Abdominal CT; Axial slice 64/133; soft-tissue window; Aquilion ONE scanner
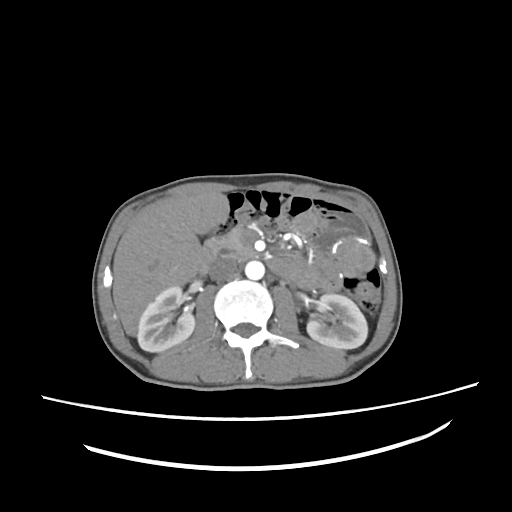

Each box given as x1,y1,x2,y2.
duodenum: x1=200, y1=236, x2=253, y2=271
pancreas: x1=215, y1=227, x2=253, y2=257
liver: x1=112, y1=192, x2=228, y2=335
right kidney: x1=137, y1=286, x2=194, y2=351
left kidney: x1=307, y1=294, x2=367, y2=348
inferior vena cava: x1=209, y1=257, x2=238, y2=281
aorta: x1=245, y1=260, x2=264, y2=279